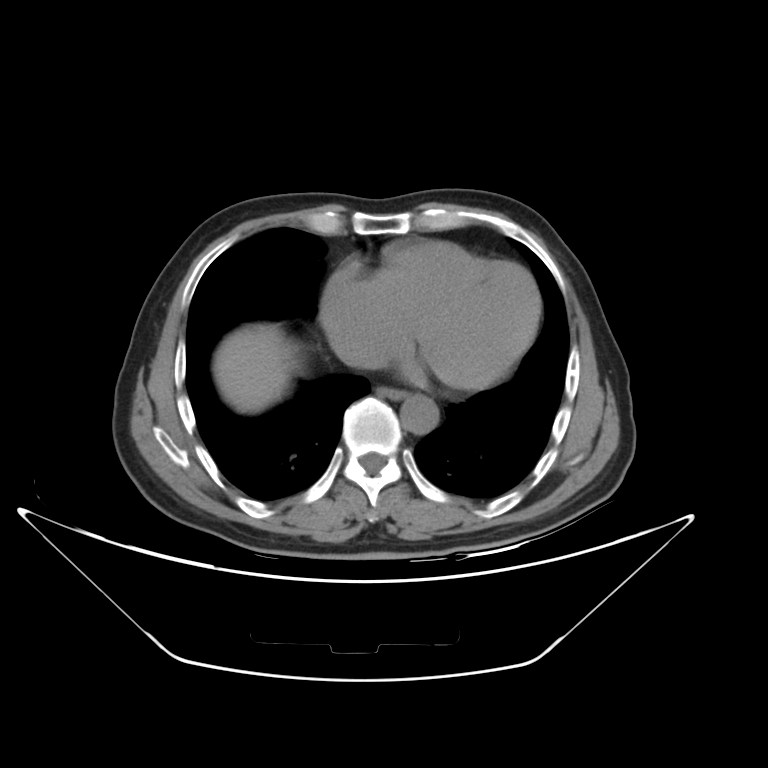
Abdominal CT. Axial slice 96/101. abdomen soft-tissue window. 768x768 px
{"organs":{"esophagus":[379,388,403,401],"liver":[212,291,539,415],"aorta":[399,395,438,433]}}